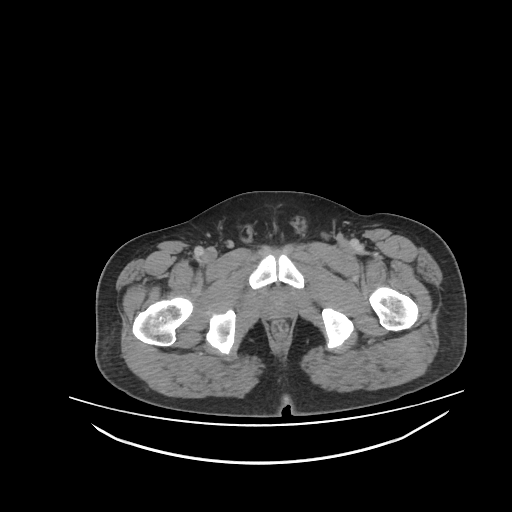 Abdominal CT; axial view; W/L 400/40 HU; 45-year-old male patient
Coordinates as <box>x1,y1,x2,y2</box> in pixels. 1 labeled organ on this slice — prostate/uterus at <box>264,290,293,316</box>.